CT abdomen; axial view; abdomen soft-tissue window; scan has 15 labeled organs (counted over the whole 3D scan, not this slice; an organ is boxed only where this slice passes through it)
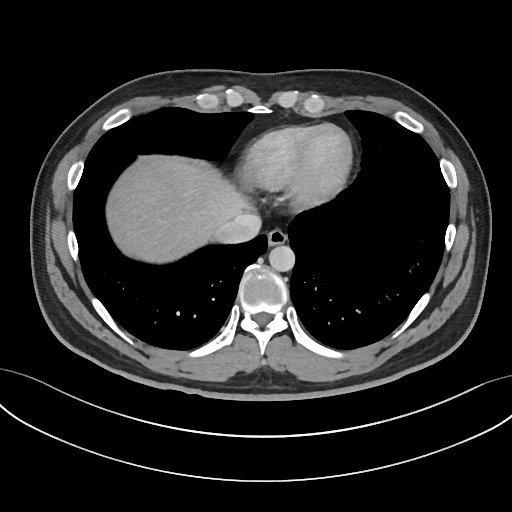 Coordinates as <box>x1,y1,x2,y2</box> in pixels.
Organ bounding boxes:
- esophagus: <box>267,227,287,245</box>
- liver: <box>107,160,254,262</box>
- aorta: <box>268,245,295,271</box>
- inferior vena cava: <box>212,214,261,244</box>